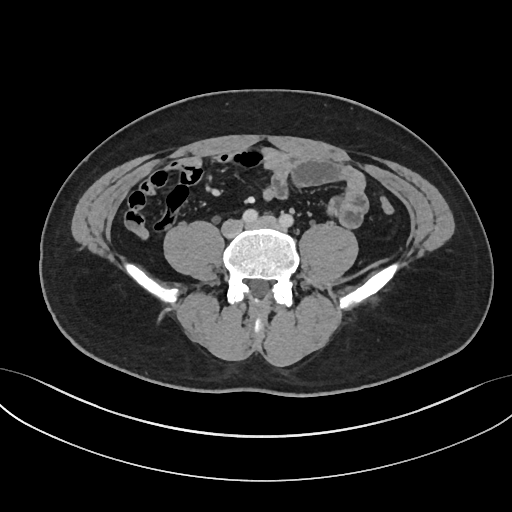 CT abdomen. axial view
Each box given as x1,y1,x2,y2. The annotated organs in this slice are: aorta at x1=409, y1=250, x2=420, y2=252.